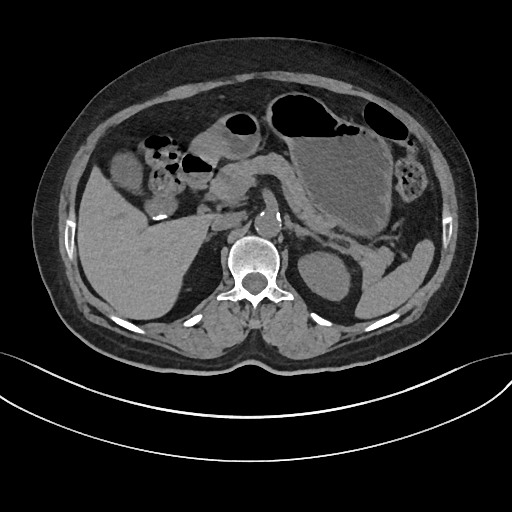 Abdominal CT; axial view; 512x512 px
Each box given as x1,y1,x2,y2.
spleen: x1=354, y1=239, x2=434, y2=320
left kidney: x1=298, y1=252, x2=347, y2=299
gall bladder: x1=111, y1=156, x2=178, y2=218
liver: x1=76, y1=165, x2=216, y2=319
stomach: x1=192, y1=93, x2=392, y2=235
aorta: x1=254, y1=212, x2=281, y2=238
inferior vena cava: x1=211, y1=213, x2=242, y2=230
pancreas: x1=211, y1=152, x2=392, y2=284
left adrenal gland: x1=292, y1=224, x2=319, y2=243
duodenum: x1=180, y1=150, x2=215, y2=186